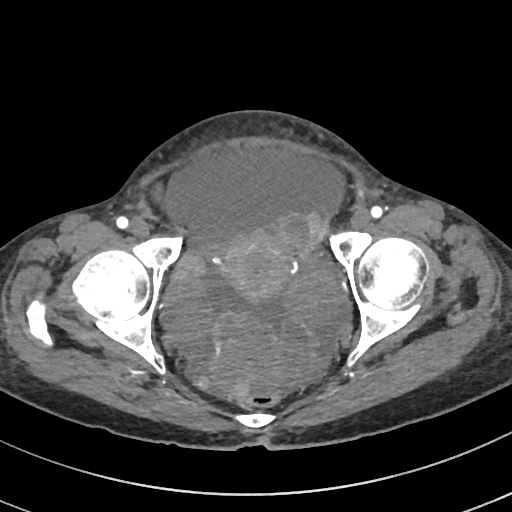

CT abdomen — axial view
Each box given as x1,y1,x2,y2. The annotated organs in this slice are: prostate/uterus at x1=221, y1=230, x2=297, y2=304.